Abdominal CT · axial view
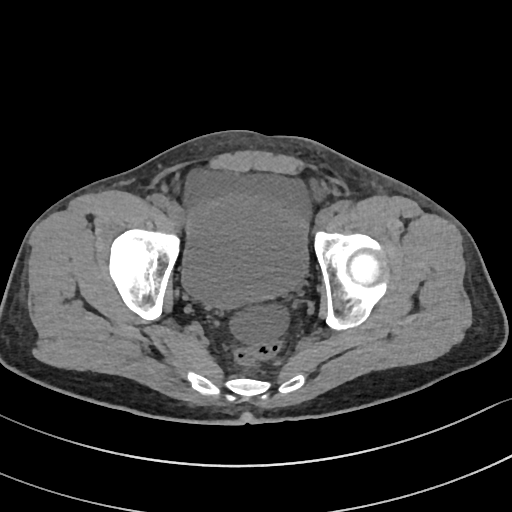
Boxes: x1:y1:x2:y2 in pixels. The annotated organs in this slice are: bladder at 182:195:308:307.